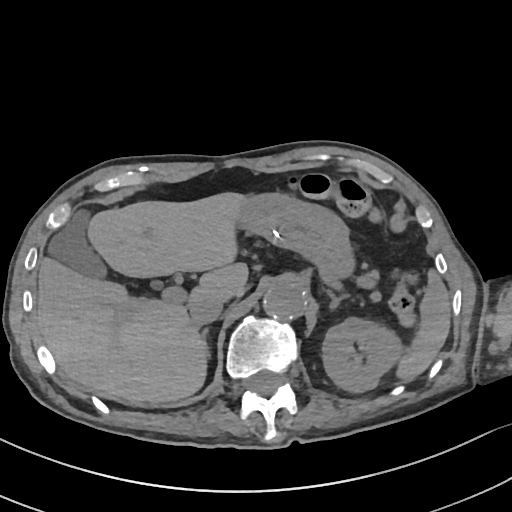 Computed tomography, abdomen · axial view
<organs><organ name="spleen" x1="396" y1="272" x2="449" y2="381"/><organ name="left kidney" x1="322" y1="317" x2="403" y2="392"/><organ name="gall bladder" x1="48" y1="210" x2="106" y2="278"/><organ name="liver" x1="35" y1="192" x2="248" y2="404"/><organ name="stomach" x1="238" y1="192" x2="353" y2="276"/><organ name="aorta" x1="263" y1="281" x2="305" y2="319"/><organ name="inferior vena cava" x1="190" y1="294" x2="224" y2="325"/><organ name="right adrenal gland" x1="201" y1="328" x2="210" y2="357"/><organ name="left adrenal gland" x1="327" y1="290" x2="347" y2="309"/></organs>